Abdominal CT; axial plane, index 191; W/L 400/40 HU; 512x512 px
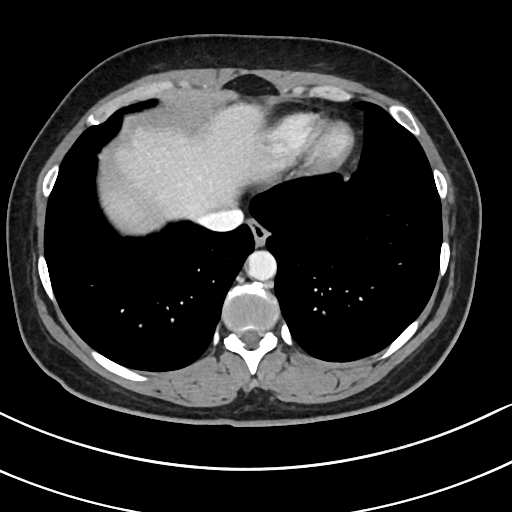
Boxes are (x1, y1, x2, y2) in pixels.
Organ bounding boxes:
- esophagus: (248, 220, 268, 245)
- liver: (106, 104, 276, 233)
- aorta: (247, 250, 277, 280)
- inferior vena cava: (199, 206, 243, 231)